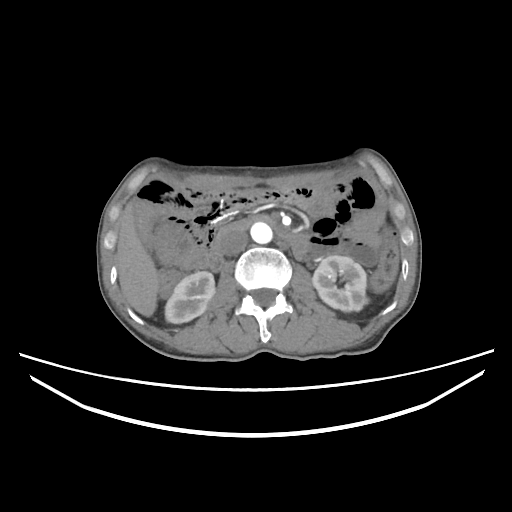
Abdominal CT · axial view
{"organs":{"right kidney":[165,271,215,323],"left kidney":[312,255,368,311],"liver":[117,200,158,316],"aorta":[250,222,272,244],"inferior vena cava":[220,229,248,255],"duodenum":[208,215,308,270]}}